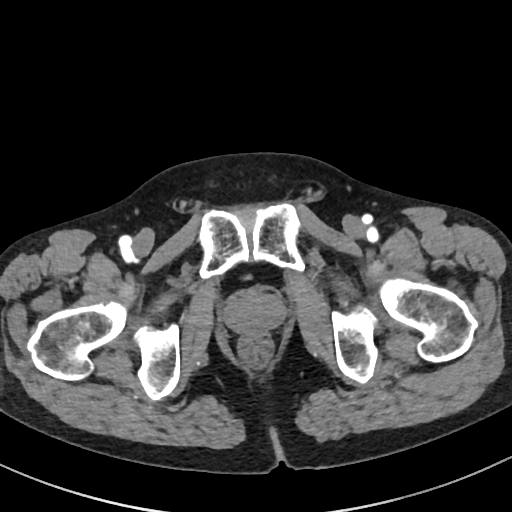

CT abdomen · axial view · 512x512 px · acquired on SOMATOM Force
Each box given as x1,y1,x2,y2.
Organ bounding boxes:
- prostate/uterus: x1=226, y1=289, x2=284, y2=333